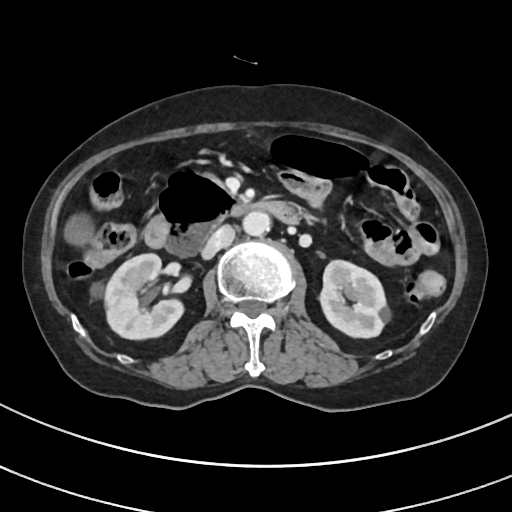
CT abdomen; axial view; W/L 400/40 HU; SOMATOM Force scanner
<organs><organ name="right kidney" x1="91" y1="253" x2="183" y2="339"/><organ name="left kidney" x1="319" y1="260" x2="386" y2="337"/><organ name="gall bladder" x1="66" y1="215" x2="92" y2="243"/><organ name="aorta" x1="243" y1="211" x2="270" y2="235"/><organ name="inferior vena cava" x1="202" y1="225" x2="235" y2="259"/><organ name="duodenum" x1="144" y1="170" x2="299" y2="256"/></organs>